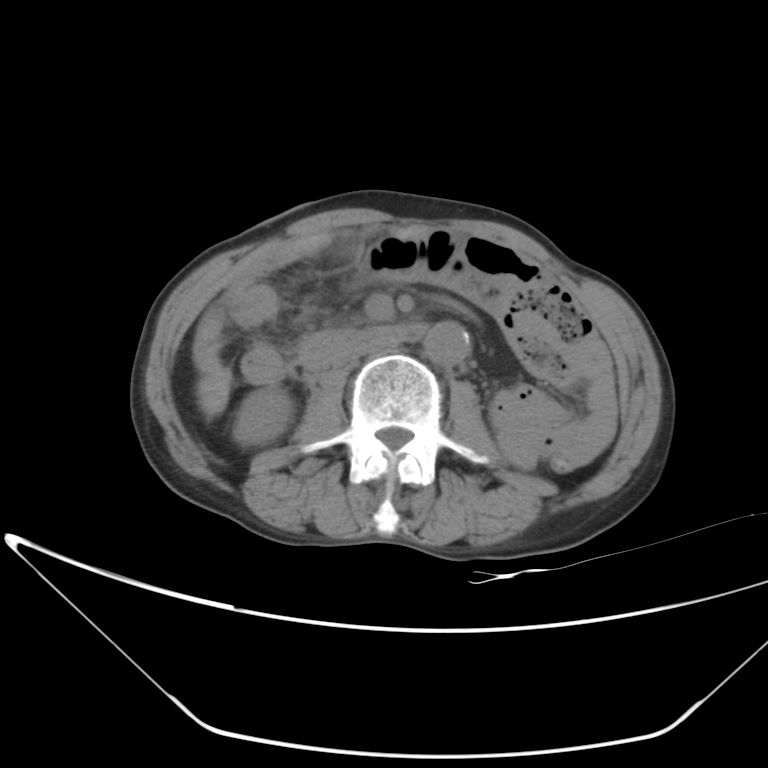 CT, abdomen/pelvis · axial view · 66-year-old male patient
{"organs":{"right kidney":[232,386,293,446],"liver":[193,310,231,420],"aorta":[424,320,470,366],"inferior vena cava":[331,338,398,368],"duodenum":[299,323,425,369]}}